Chest-level slice from an abdominal CT that extends up into the chest · axial view · scan has 15 labeled organs (a whole-scan count: organs this slice does not pass through have no box)
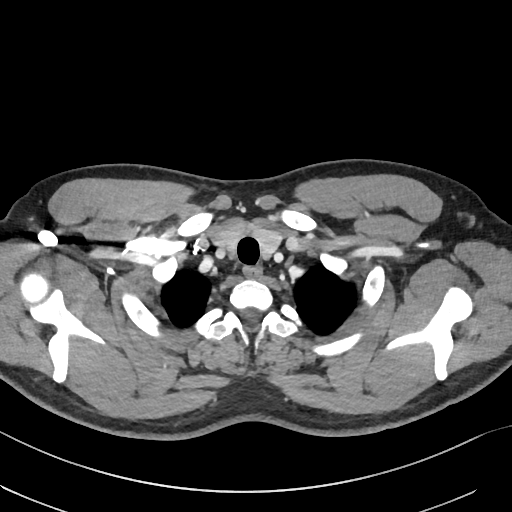
At this level of the chest no structure but the esophagus and the aorta has a label in this dataset, and those two are boxed only where they are labeled.
Bounding boxes in pixels, one row per box: x1, y1 is the top-left corner and x2, y2 the bottom-right.
| organ | x1 | y1 | x2 | y2 |
|---|---|---|---|---|
| esophagus | 243 | 266 | 261 | 277 |